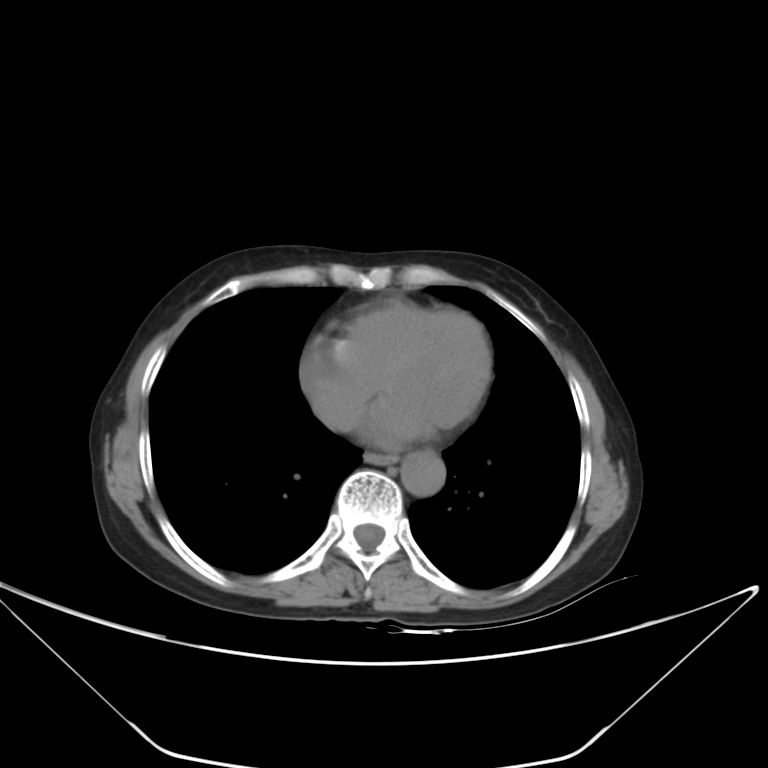
CT of the abdomen reaching into the lower chest, slice just above the liver and spleen · axial plane, index 81 · soft-tissue window
The heart and lungs are never labeled in this dataset, so they have no box on this slice.
<organs><organ name="esophagus" x1="363" y1="452" x2="397" y2="464"/><organ name="aorta" x1="401" y1="452" x2="445" y2="496"/><organ name="inferior vena cava" x1="316" y1="399" x2="353" y2="429"/></organs>